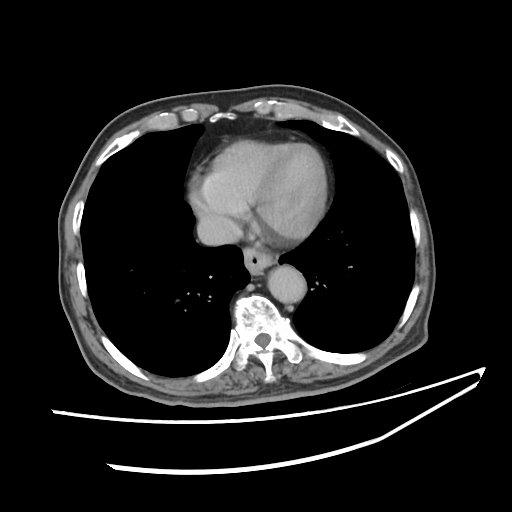 CT of the abdomen reaching into the lower chest, slice just above the liver and spleen; axial view; 512x512 px
Of the structures in the chest, this dataset labels only the esophagus, the aorta and the inferior vena cava; the heart and lungs have no label. Boxes: x1:y1:x2:y2 in pixels. The annotated organs in this slice are: esophagus at 245:250:281:276, aorta at 268:265:307:304, inferior vena cava at 197:217:238:245.